CT abdomen. axial view. soft-tissue window (W 400 / L 40)
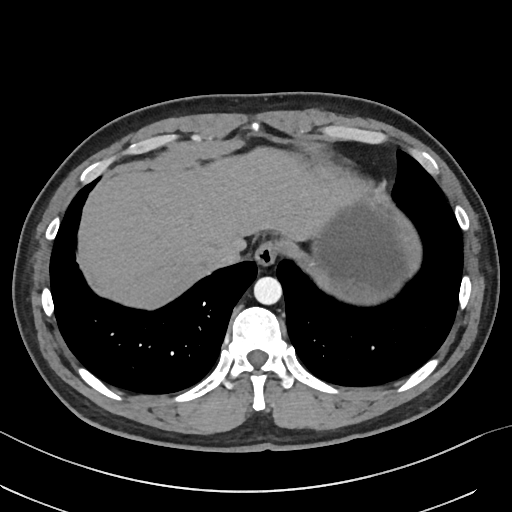 Bounding boxes as [x1, y1, x2, y2] in pixel coordinates.
esophagus: [254, 241, 278, 266]
liver: [86, 147, 360, 309]
stomach: [311, 188, 420, 303]
aorta: [254, 276, 282, 304]
inferior vena cava: [209, 243, 242, 267]